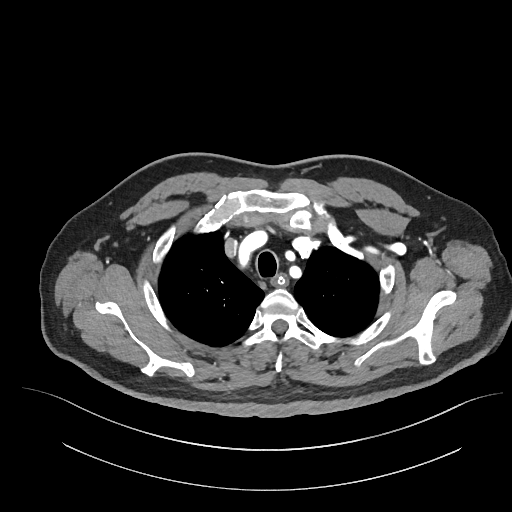

CT of the abdomen extending into the chest, slice through the chest — axial view
At this level of the chest no structure but the esophagus and the aorta has a label in this dataset, and those two are boxed only where they are labeled.
<organs><organ name="esophagus" x1="273" y1="274" x2="284" y2="285"/></organs>